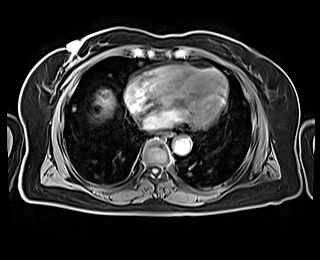

Abdominal MR · axial view · percentile-normalized
Boxes: x1:y1:x2:y2 in pixels.
esophagus: 158:132:171:138
aorta: 173:137:191:155
liver: 95:89:115:120